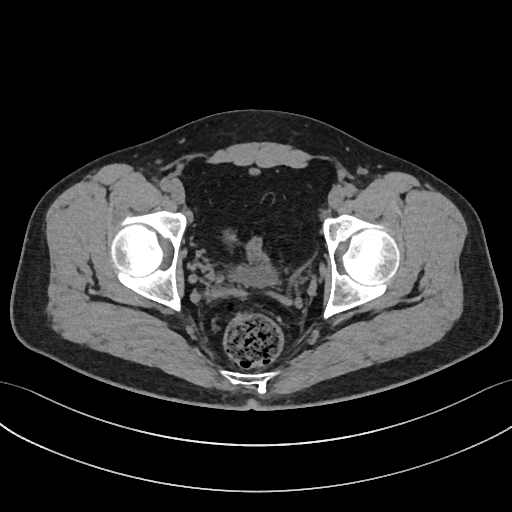
Computed tomography, abdomen. axial view
Coordinates as <box>x1,y1,x2,y2</box> in pixels.
Organ bounding boxes:
- bladder: <box>232,267,276,285</box>